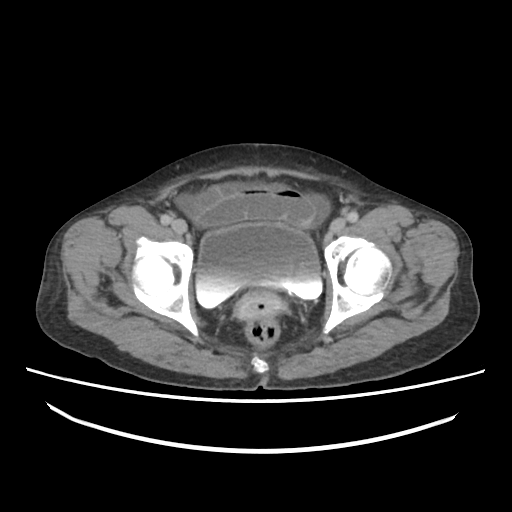

CT abdomen; axial view; W/L 400/40 HU; 512x512 px; 71-year-old female patient
Organ boxes in pixel coordinates; each row gives the top-left (x1, y1) and bottom-right (x2, y2) corners.
| organ | x1 | y1 | x2 | y2 |
|---|---|---|---|---|
| prostate/uterus | 235 | 289 | 282 | 319 |
| bladder | 197 | 224 | 323 | 308 |